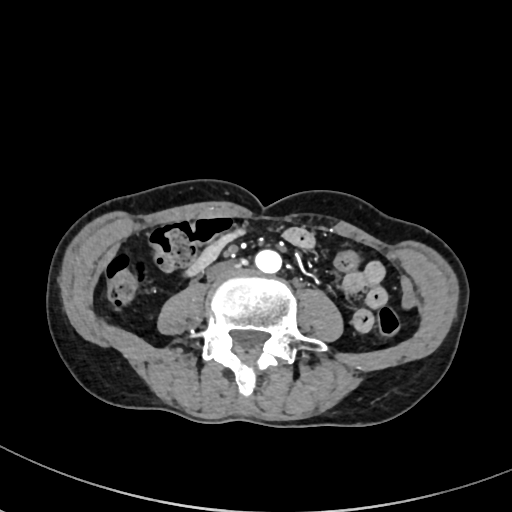

CT abdomen · axial plane, index 108 · soft-tissue window (W 400 / L 40) · 512x512 px · 15 organs annotated in this scan (counted over the whole 3D scan, not this slice; an organ is boxed only where this slice passes through it)
Coordinates as <box>x1,y1,x2,y2</box> in pixels. The annotated organs in this slice are: inferior vena cava at <box>207,261,241,280</box>, aorta at <box>255,249,282,273</box>.